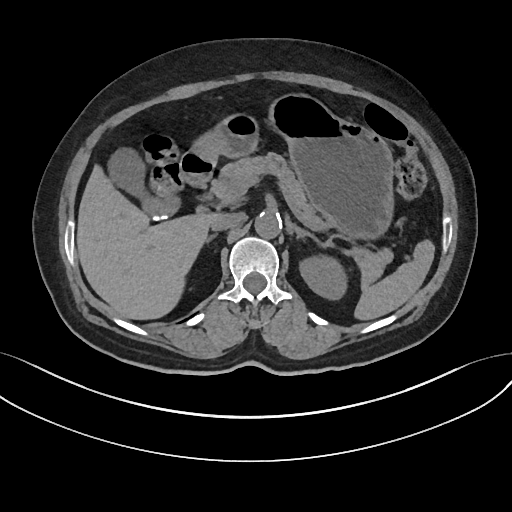
CT abdomen. axial plane, index 148
Coordinates as <box>x1,y1,x2,y2</box> in pixels. 11 labeled organs on this slice — spleen at <box>354,239,434,320</box>; left kidney at <box>299,255,347,299</box>; gall bladder at <box>108,148,178,218</box>; liver at <box>76,165,216,319</box>; stomach at <box>192,93,393,240</box>; aorta at <box>254,212,281,238</box>; inferior vena cava at <box>211,213,242,230</box>; pancreas at <box>211,152,392,284</box>; right adrenal gland at <box>206,234,216,242</box>; left adrenal gland at <box>292,224,319,243</box>; duodenum at <box>180,150,215,186</box>.